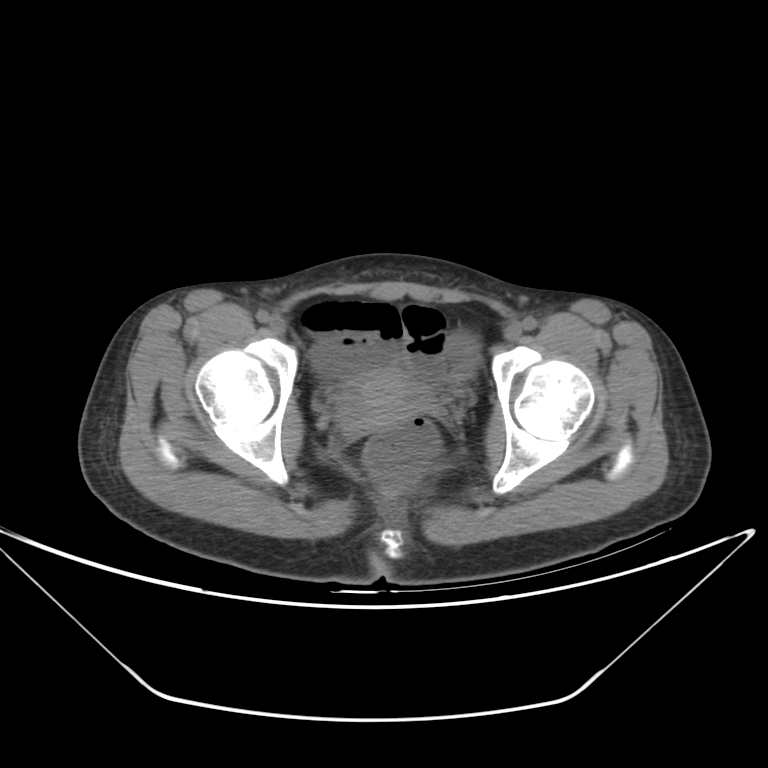 Computed tomography, abdomen. axial view. acquired on Brilliance16
Coordinates as <box>x1,y1,x2,y2</box> in pixels.
prostate/uterus: <box>336,369,440,434</box>